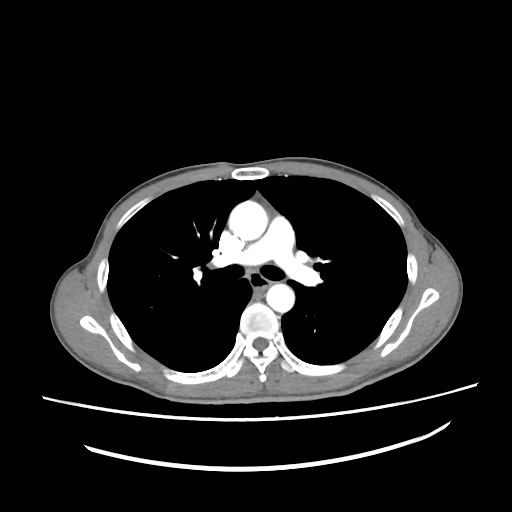 CT of the abdomen extending into the chest, slice through the chest — Axial slice 109/133
On a slice this high in the chest, this dataset labels only the esophagus and the aorta, and each is boxed only where it is labeled; the heart, lungs and other chest structures are not labeled.
Boxes: x1 y1 x2 y2 (pixel coords, space-separated).
esophagus: 249 272 269 293
aorta: 229 201 267 240
aorta: 266 284 294 312